CT, abdomen/pelvis; axial plane, index 72
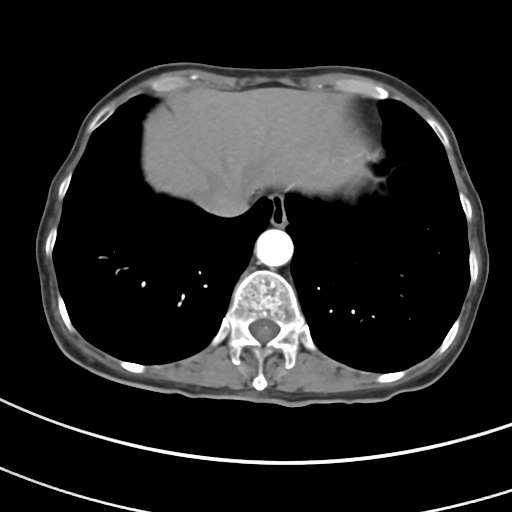

{"organs":{"stomach":[351,174,362,186],"aorta":[255,229,293,267],"esophagus":[270,195,287,226],"inferior vena cava":[197,183,248,217],"liver":[143,87,366,201]}}